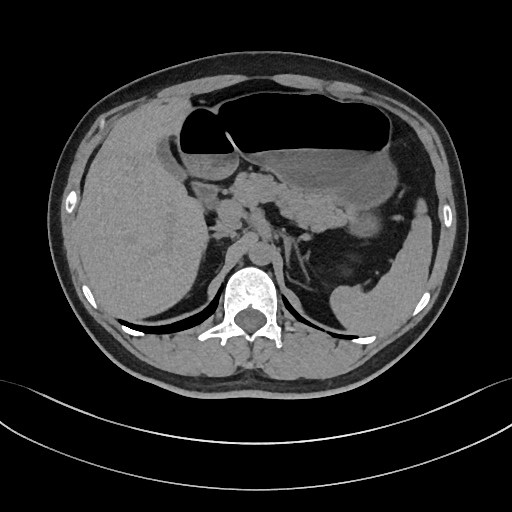 Abdominal CT. axial view
Boxes: x1:y1:x2:y2 in pixels.
Organ bounding boxes:
- spleen: 330:201:431:333
- gall bladder: 158:142:185:180
- liver: 75:97:207:320
- stomach: 176:93:395:234
- aorta: 248:241:272:266
- inferior vena cava: 210:223:235:237
- pancreas: 231:173:345:229
- right adrenal gland: 213:236:220:240
- left adrenal gland: 281:232:291:270
- duodenum: 192:183:217:205